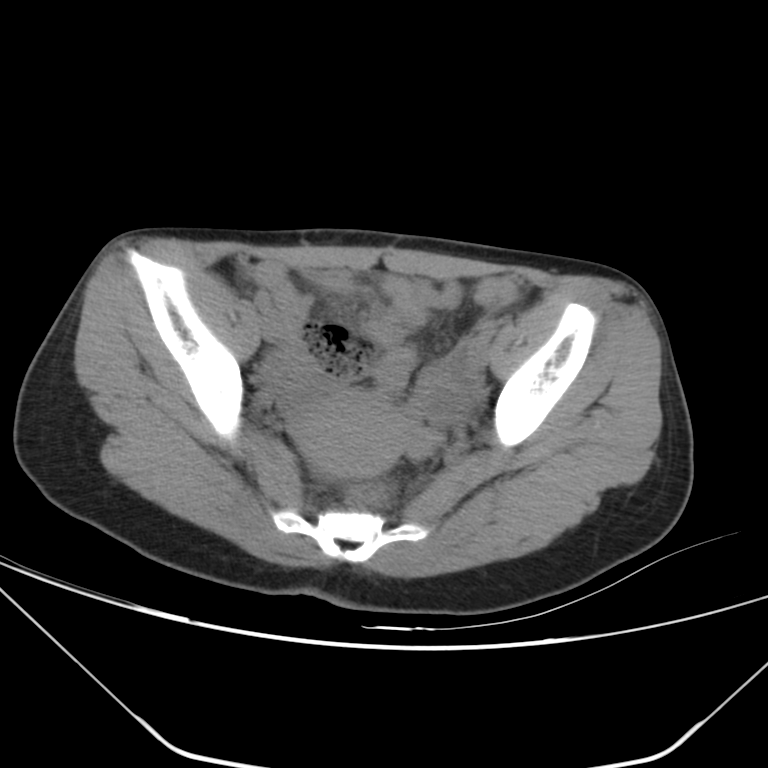

CT, abdomen/pelvis · axial view · 768x768 px · 15 organs annotated in this scan (a whole-scan count: organs this slice does not pass through have no box)
Bounding boxes in pixels, one row per box: x1, y1 is the top-left corner and x2, y2 the bottom-right.
| organ | x1 | y1 | x2 | y2 |
|---|---|---|---|---|
| prostate/uterus | 290 | 391 | 406 | 479 |